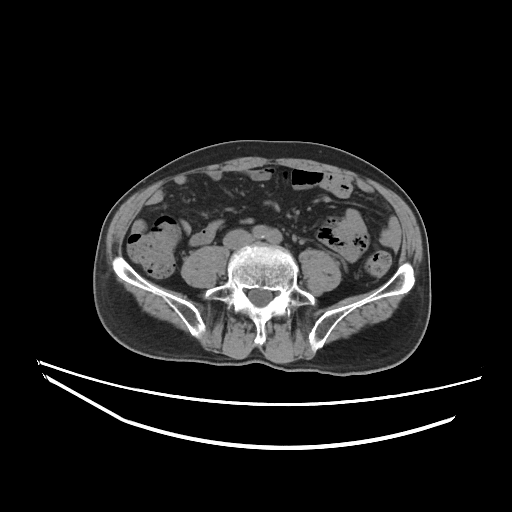
CT, abdomen/pelvis. axial view. soft-tissue window. 68-year-old male patient. acquired on Aquilion ONE. scan has 15 labeled organs (a whole-scan count: organs this slice does not pass through have no box)
Boxes are (x1, y1, x2, y2) in pixels.
Organ bounding boxes:
- inferior vena cava: (223, 229, 252, 249)